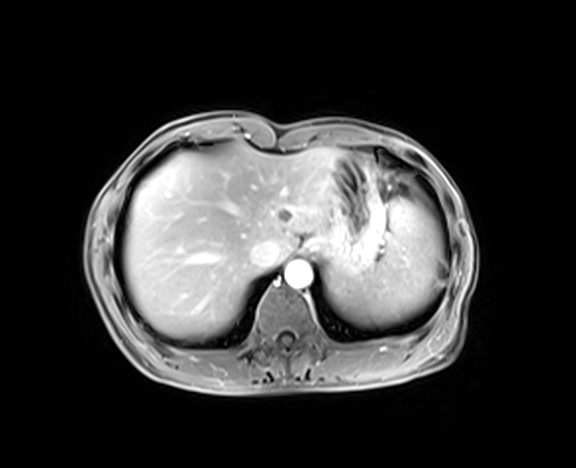

Abdominal MRI; axial view; 576x468 px
{"organs":{"inferior vena cava":[250,241,276,268],"liver":[124,144,346,337],"spleen":[328,197,441,323],"aorta":[284,261,312,288],"stomach":[304,158,385,278]}}